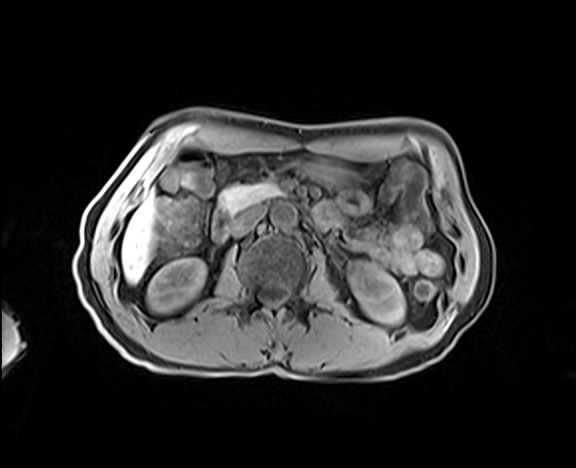

Magnetic resonance imaging, abdomen; axial view; scan has 13 labeled organs (a whole-scan count: organs this slice does not pass through have no box)
Coordinates as <box>x1,y1,x2,y2</box> in pixels.
duodenum: <box>212,210,230,242</box>
right kidney: <box>147,258,206,312</box>
left kidney: <box>349,261,404,323</box>
aorta: <box>271,202,297,228</box>
inferior vena cava: <box>230,207,264,236</box>
liver: <box>122,196,153,283</box>
pancreas: <box>218,182,278,213</box>
stomach: <box>300,157,360,188</box>